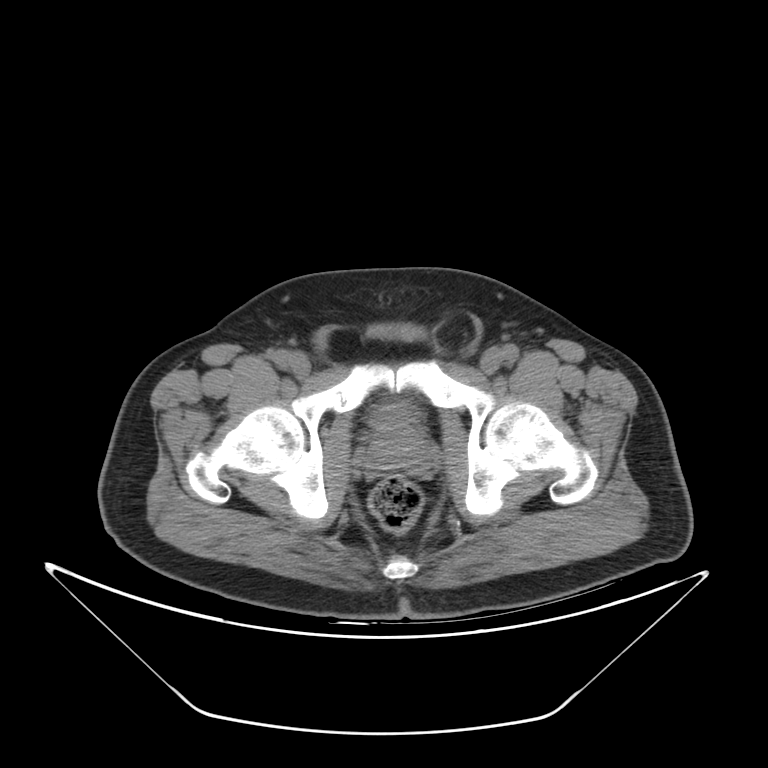 CT abdomen · axial view · 768x768 px · 55-year-old male patient
Bounding boxes as [x1, y1, x2, y2] in pixel coordinates.
Organ bounding boxes:
- prostate/uterus: [367, 422, 430, 472]
- bladder: [372, 402, 422, 426]